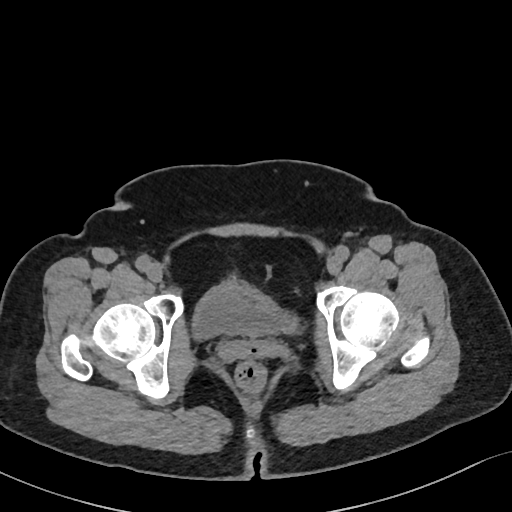

CT, abdomen/pelvis — axial view — W/L 400/40 HU — 512x512 px — SOMATOM Force scanner
Boxes: x1 y1 x2 y2 (pixel coords, space-separated).
bladder: 190 280 298 342